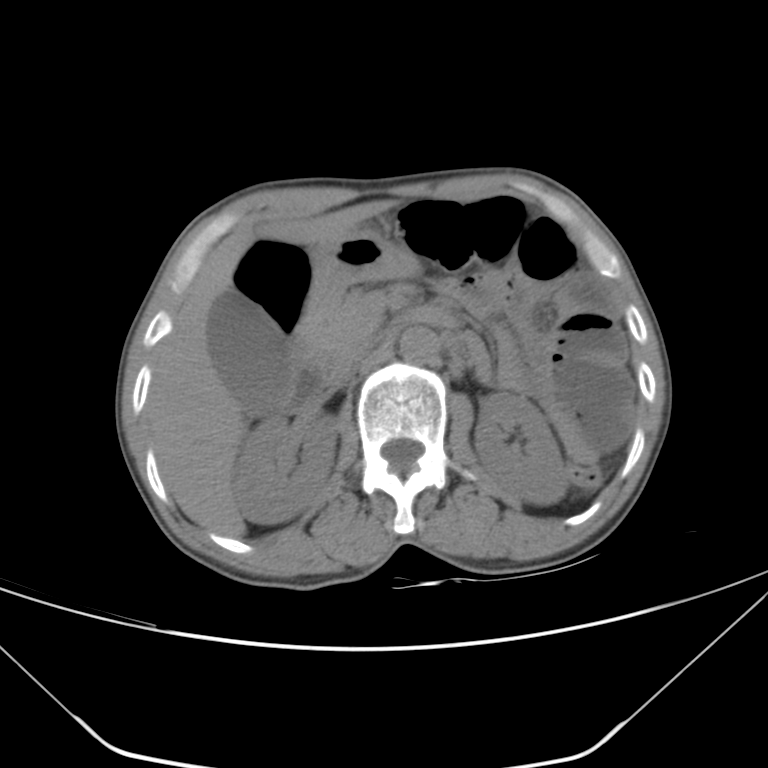 CT abdomen. Axial slice 60/85. W/L 400/40 HU. 768x768 px
<organs><organ name="right kidney" x1="233" y1="414" x2="336" y2="524"/><organ name="left kidney" x1="475" y1="392" x2="567" y2="504"/><organ name="gall bladder" x1="206" y1="288" x2="293" y2="412"/><organ name="liver" x1="148" y1="205" x2="380" y2="537"/><organ name="stomach" x1="307" y1="228" x2="417" y2="318"/><organ name="aorta" x1="399" y1="327" x2="438" y2="361"/><organ name="inferior vena cava" x1="332" y1="344" x2="366" y2="380"/><organ name="pancreas" x1="293" y1="293" x2="380" y2="371"/><organ name="duodenum" x1="277" y1="306" x2="455" y2="412"/></organs>